Abdominal CT — axial view — 45-year-old male patient — Brilliance16 scanner — scan has 15 labeled organs (a whole-scan count: organs this slice does not pass through have no box)
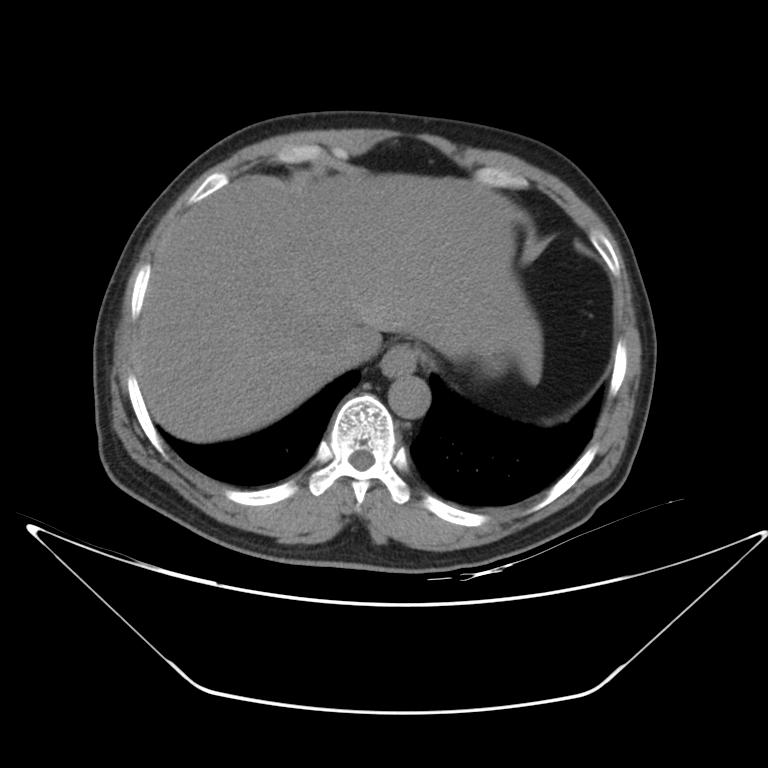

{"organs":{"esophagus":[381,345,418,376],"liver":[138,174,540,441],"stomach":[481,351,504,373],"aorta":[388,373,430,418],"inferior vena cava":[321,327,380,365]}}